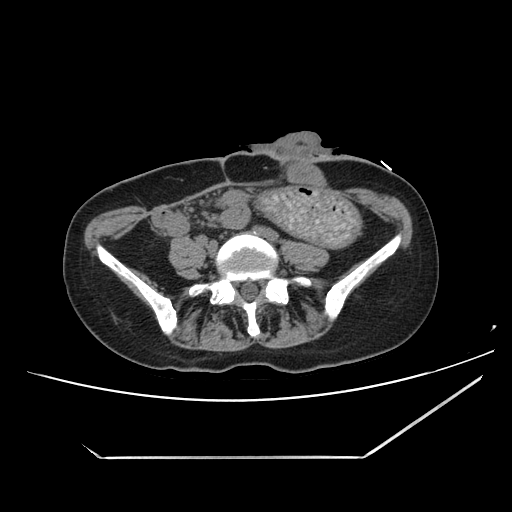
CT, abdomen/pelvis · axial view
{"organs":{"stomach":[260,188,360,245]}}